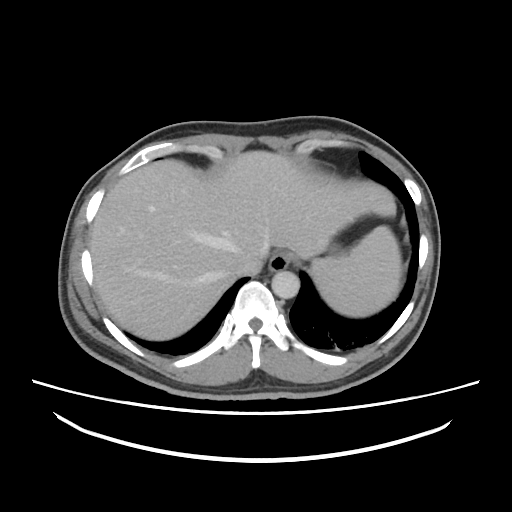 CT abdomen — Axial slice 90/133 — soft-tissue window (W 400 / L 40) — 512x512 px — scan has 15 labeled organs (a whole-scan count: organs this slice does not pass through have no box)
Each box given as x1,y1,x2,y2.
liver: x1=90, y1=150, x2=396, y2=340
aorta: x1=271, y1=270, x2=299, y2=298
esophagus: x1=268, y1=252, x2=291, y2=271
spleen: x1=311, y1=226, x2=401, y2=316
inferior vena cava: x1=234, y1=253, x2=263, y2=275